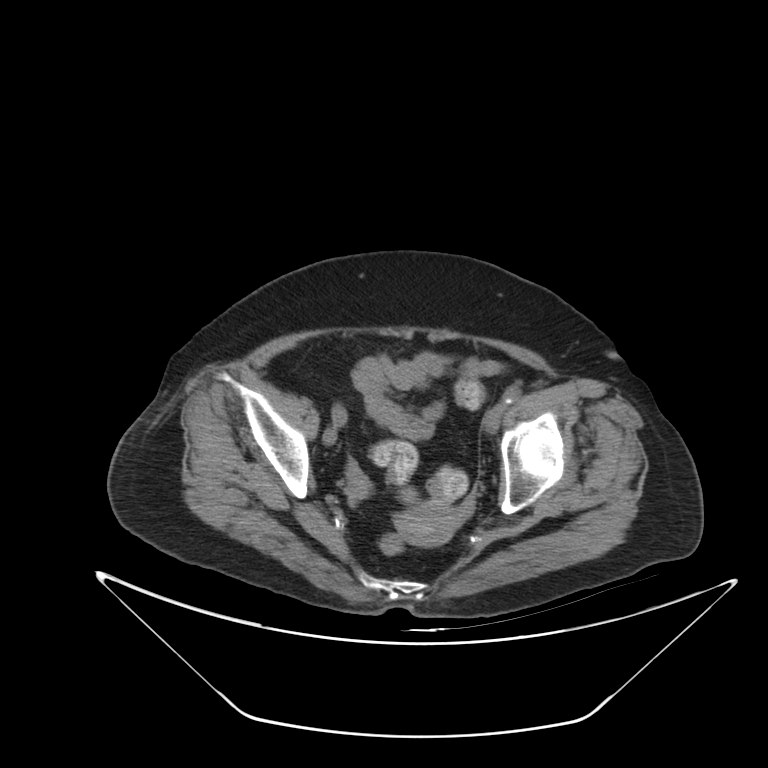 CT abdomen. axial view. W/L 400/40 HU. 78-year-old female patient
Bounding boxes as [x1, y1, x2, y2] in pixel coordinates.
prostate/uterus: [395, 501, 459, 546]